CT, abdomen/pelvis. Axial slice 164/202. soft-tissue window (W 400 / L 40). 512x512 px. 15 organs annotated in this scan (counted over the whole 3D scan, not this slice; an organ is boxed only where this slice passes through it)
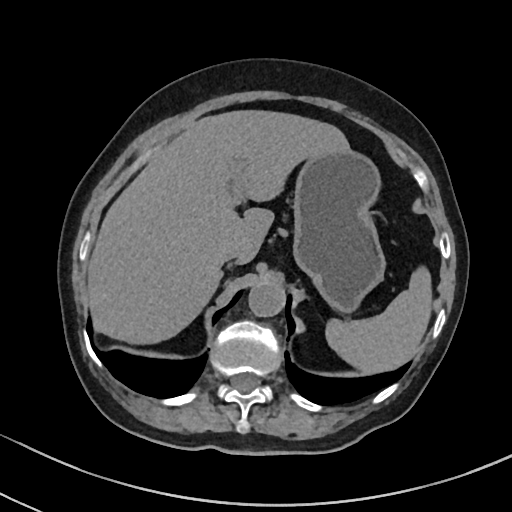

Organ boxes in pixel coordinates; each row gives the top-left (x1, y1) and bottom-right (x2, y2) corners.
| organ | x1 | y1 | x2 | y2 |
|---|---|---|---|---|
| spleen | 326 | 266 | 432 | 374 |
| liver | 86 | 110 | 349 | 344 |
| stomach | 292 | 150 | 385 | 312 |
| aorta | 248 | 281 | 285 | 316 |
| inferior vena cava | 219 | 247 | 240 | 266 |